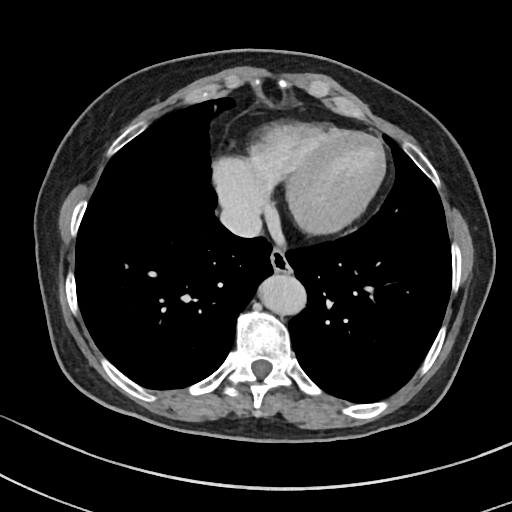

Lower-chest slice from an abdominal CT, just above the liver and spleen. axial view. scan has 15 labeled organs (counted over the whole 3D scan, not this slice; an organ is boxed only where this slice passes through it)
No part of the heart or lungs is labeled in this dataset, so neither has a box here.
Coordinates as <box>x1,y1,x2,y2</box> in pixels.
inferior vena cava: <box>220,205,261,237</box>
aorta: <box>256,273,304,314</box>
esophagus: <box>270,246,290,273</box>